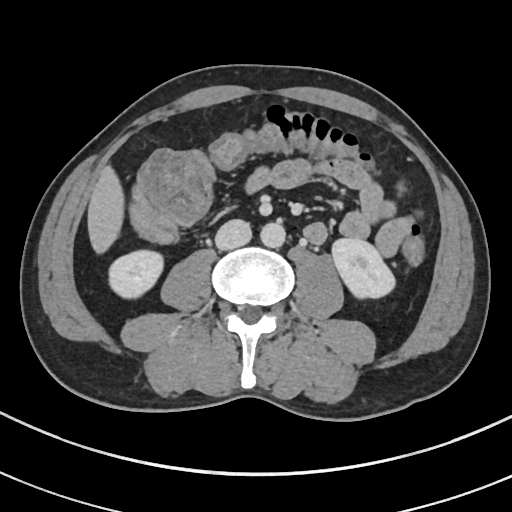

Computed tomography, abdomen · Axial slice 102/298 · soft-tissue window (W 400 / L 40) · 512x512 px
{"organs":{"inferior vena cava":[215,219,251,250],"aorta":[260,222,285,248],"right kidney":[109,250,163,298],"left kidney":[332,239,395,298],"liver":[87,166,123,253]}}